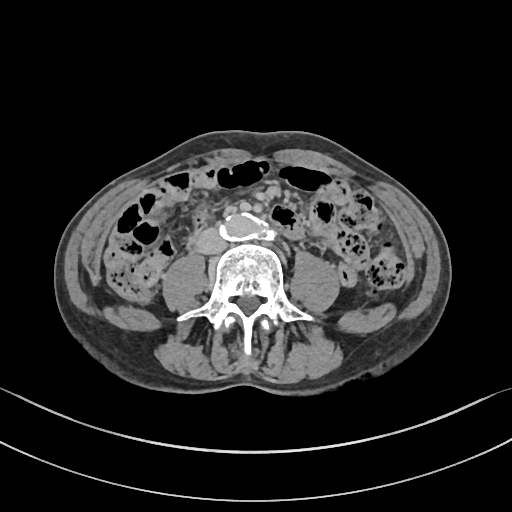 Abdominal CT — axial view — abdomen soft-tissue window
One row per box, in pixels: columns x1 and y1 give the top-left corner, x2 and y2 the bottom-right.
| organ | x1 | y1 | x2 | y2 |
|---|---|---|---|---|
| aorta | 219 | 214 | 272 | 240 |
| inferior vena cava | 197 | 229 | 226 | 254 |